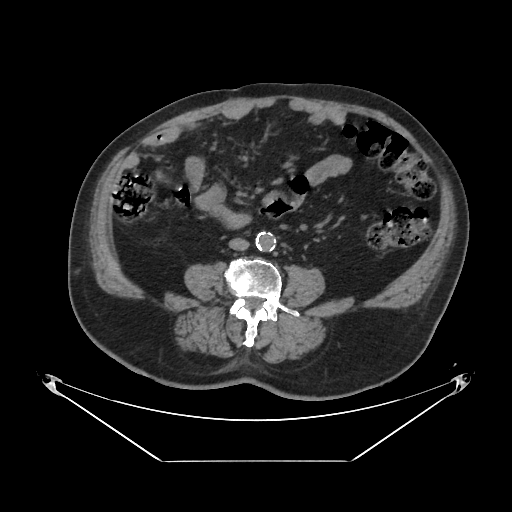

Abdominal CT; Axial slice 167/353; abdomen soft-tissue window; 15 organs annotated in this scan (a whole-scan count: organs this slice does not pass through have no box)
Each box given as x1,y1,x2,y2.
aorta: x1=255, y1=232, x2=275, y2=251
inferior vena cava: x1=229, y1=238, x2=249, y2=250